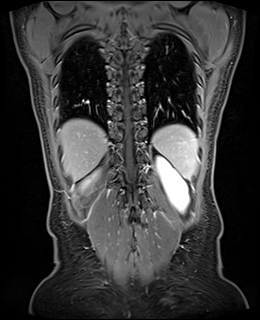 Magnetic resonance imaging, abdomen; coronal acquisition; 260x320 px
{"organs":{"spleen":[152,125,198,179],"right kidney":[86,176,94,184],"left kidney":[157,157,188,211],"liver":[59,119,107,180]}}